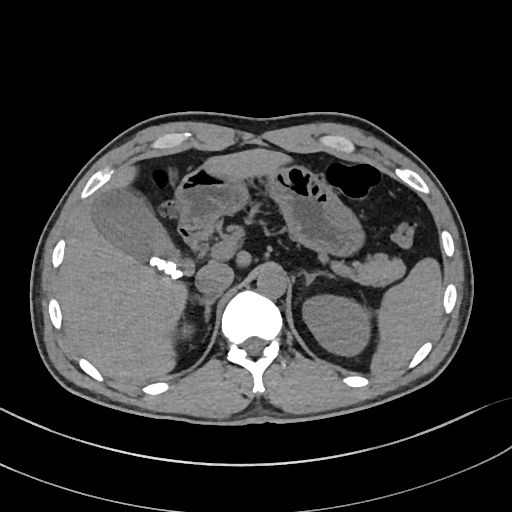

CT abdomen. axial view. 512x512 px. SOMATOM Force scanner
Organ boxes in pixel coordinates; each row gives the top-left (x1, y1) and bottom-right (x2, y2) corners.
| organ | x1 | y1 | x2 | y2 |
|---|---|---|---|---|
| liver | 59 | 149 | 285 | 381 |
| aorta | 256 | 267 | 287 | 297 |
| pancreas | 345 | 253 | 404 | 286 |
| duodenum | 179 | 223 | 212 | 252 |
| right kidney | 182 | 325 | 193 | 336 |
| left kidney | 302 | 293 | 369 | 356 |
| spleen | 371 | 258 | 442 | 373 |
| stomach | 177 | 163 | 359 | 253 |
| right adrenal gland | 196 | 296 | 217 | 318 |
| inferior vena cava | 195 | 262 | 233 | 295 |
| left adrenal gland | 302 | 270 | 332 | 285 |
| gall bladder | 92 | 187 | 193 | 279 |